Abdominal CT · axial plane, index 119 · soft-tissue window (W 400 / L 40) · 512x512 px · SOMATOM Force scanner · scan has 15 labeled organs (a whole-scan count: organs this slice does not pass through have no box)
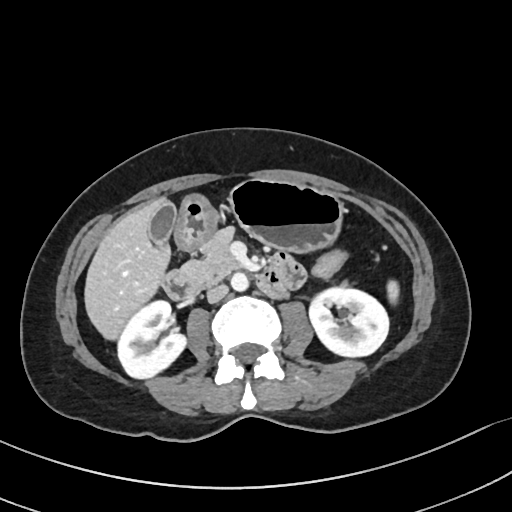 Bounding boxes as [x1, y1, x2, y2] in pixel coordinates. The annotated organs in this slice are: spleen at [387, 281, 398, 302], right kidney at [117, 299, 186, 380], left kidney at [308, 285, 388, 356], gall bladder at [146, 201, 175, 245], liver at [85, 199, 171, 337], stomach at [174, 179, 343, 251], aorta at [230, 272, 248, 290], inferior vena cava at [206, 283, 228, 302], pancreas at [180, 231, 243, 287], duodenum at [161, 251, 305, 299].